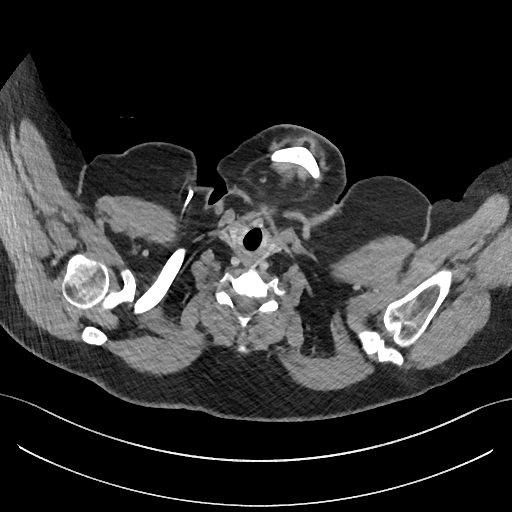 Chest-level slice from an abdominal CT that extends up into the chest. axial view. soft-tissue window, W/L 400/40. 512x512 px
At this level of the chest this dataset labels only the esophagus and the aorta, and each is boxed only where it is labeled; the heart and lungs are never labeled.
Coordinates as <box>x1,y1,x2,y2</box> in pixels.
Organ bounding boxes:
- esophagus: <box>242,252,251,265</box>